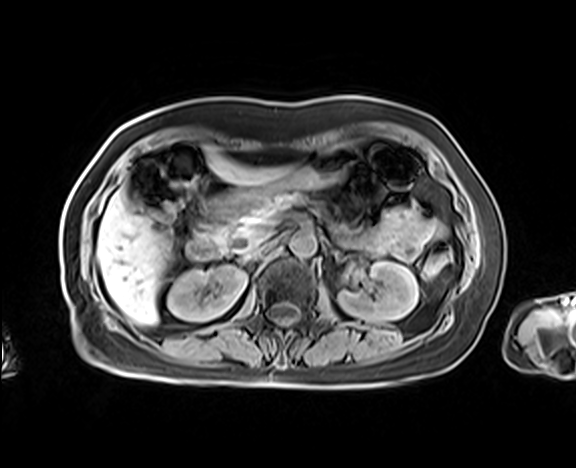 Abdominal MRI · axial view · 576x468 px · acquired on Prisma · scan has 12 labeled organs (that count is for the whole scan; organs this slice misses have no box)
{"organs":{"stomach":[208,146,354,217],"aorta":[289,231,316,257],"duodenum":[187,225,226,260],"pancreas":[219,191,304,243],"left kidney":[338,261,418,321],"liver":[96,148,290,325],"right kidney":[167,265,246,321],"inferior vena cava":[243,240,274,258]}}